Chest-level slice from an abdominal CT that extends up into the chest. axial view. 15 organs annotated in this scan (that count is for the whole scan; organs this slice misses have no box)
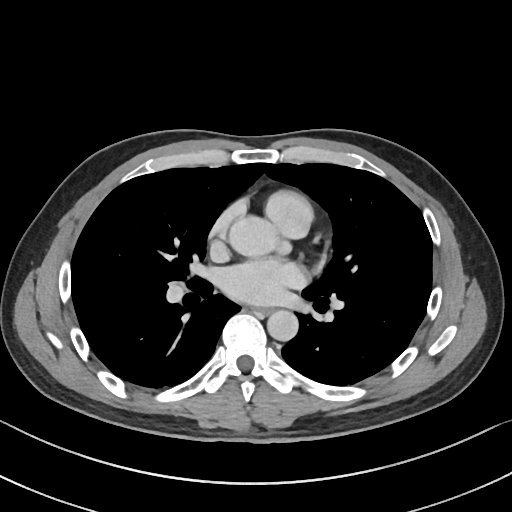
At this level of the chest this dataset labels only the esophagus and the aorta, and each is boxed only where it is labeled; the heart and lungs are never labeled. Bounding boxes as [x1, y1, x2, y2] in pixel coordinates. The annotated organs in this slice are: esophagus at [254, 307, 271, 315], aorta at [227, 216, 279, 255], aorta at [267, 310, 298, 340].